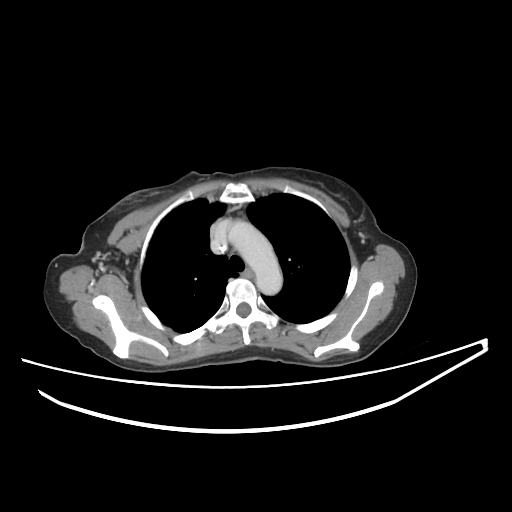
Chest-level slice from an abdominal CT that extends up into the chest · axial view · soft-tissue window, W/L 400/40 · 512x512 px
At this level of the chest this dataset labels only the esophagus and the aorta, and each is boxed only where it is labeled; the heart and lungs are never labeled.
Each box given as x1,y1,x2,y2.
aorta: x1=228, y1=221, x2=282, y2=295
esophagus: x1=243, y1=269, x2=252, y2=279